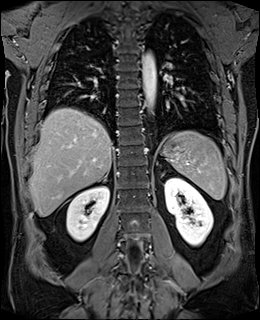
Abdominal MR · Coronal slice 39/144 · percentile-normalized · 260x320 px · Prisma scanner
Box edges are left/top/right/bottom in pixels.
spleen: left=164, top=130, right=226, bottom=199
right kidney: left=66, top=186, right=109, bottom=241
left kidney: left=164, top=177, right=213, bottom=246
liver: left=29, top=108, right=112, bottom=216
aorta: left=141, top=52, right=156, bottom=111
right adrenal gland: left=97, top=170, right=109, bottom=182